Magnetic resonance imaging, abdomen · axial view · 576x468 px
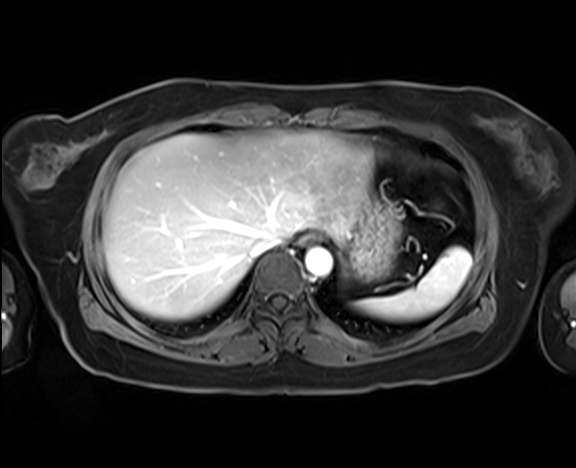 {"organs":{"stomach":[346,195,400,280],"esophagus":[300,233,319,244],"aorta":[305,247,332,276],"liver":[103,131,372,319],"spleen":[356,247,471,320],"inferior vena cava":[250,233,285,258]}}